CT, abdomen/pelvis · axial plane, index 33 · soft-tissue window (W 400 / L 40) · 512x512 px · acquired on SOMATOM Force · 15 organs annotated in this scan (that count is for the whole scan; organs this slice misses have no box)
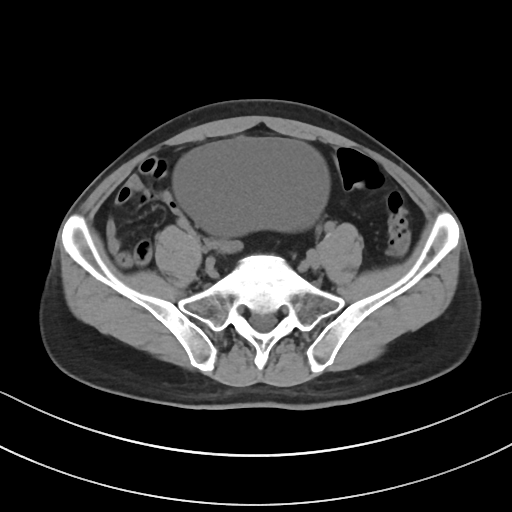

{"organs":{"bladder":[173,137,329,236]}}